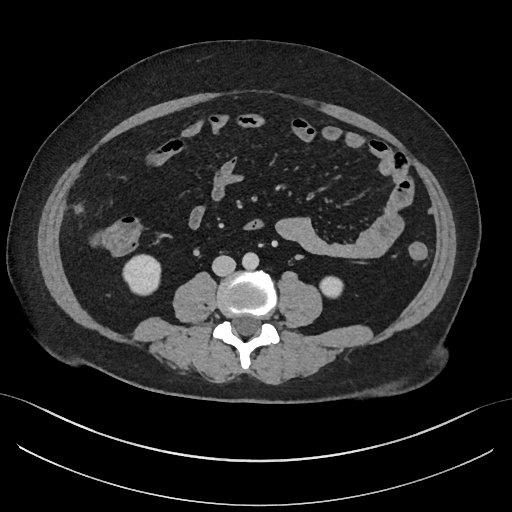

Computed tomography, abdomen. axial view. soft-tissue window (W 400 / L 40). 512x512 px
Boxes are (x1, y1, x2, y2) in pixels.
Organ bounding boxes:
- right kidney: (122, 254, 160, 295)
- left kidney: (320, 276, 343, 297)
- aorta: (242, 252, 259, 269)
- inferior vena cava: (212, 255, 235, 276)